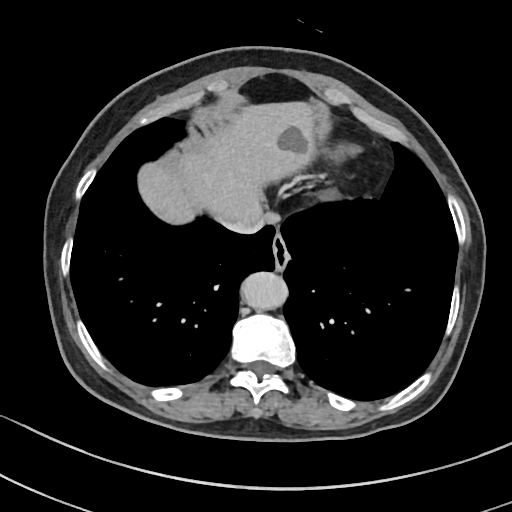

CT, abdomen/pelvis. axial view. abdomen soft-tissue window. 512x512 px
Boxes are (x1, y1, x2, y2) in pixels. 4 labeled organs on this slice — esophagus at (272, 231, 289, 269); liver at (138, 101, 319, 224); aorta at (240, 271, 287, 309); inferior vena cava at (219, 208, 264, 234).